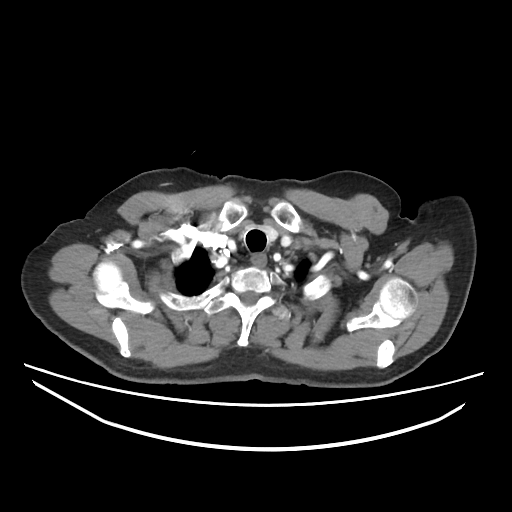 Abdominal CT reaching into the chest; this slice is in the chest. axial plane, index 121. Aquilion ONE scanner. 15 organs annotated in this scan (counted over the whole 3D scan, not this slice; an organ is boxed only where this slice passes through it)
On a slice this high in the chest, this dataset labels only the esophagus and the aorta, and each is boxed only where it is labeled; the heart, lungs and other chest structures are not labeled.
One row per box, in pixels: columns x1 and y1 give the top-left corner, x2 and y2 the bottom-right.
| organ | x1 | y1 | x2 | y2 |
|---|---|---|---|---|
| esophagus | 252 | 255 | 265 | 265 |